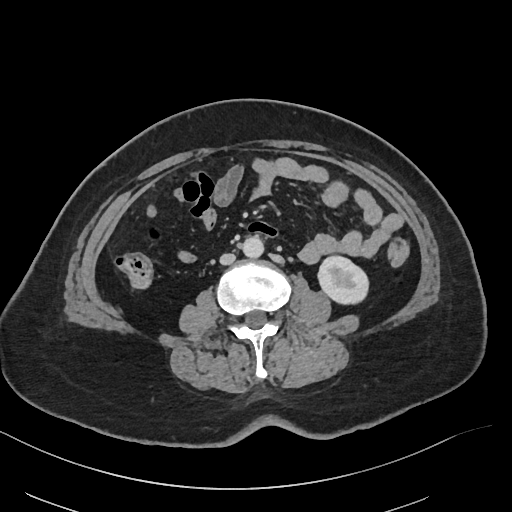 Abdominal CT; axial plane, index 127; acquired on SOMATOM Force
<organs><organ name="left kidney" x1="317" y1="255" x2="369" y2="304"/><organ name="aorta" x1="242" y1="236" x2="263" y2="258"/><organ name="inferior vena cava" x1="220" y1="253" x2="235" y2="265"/></organs>